Computed tomography, abdomen · axial view · 47-year-old male patient
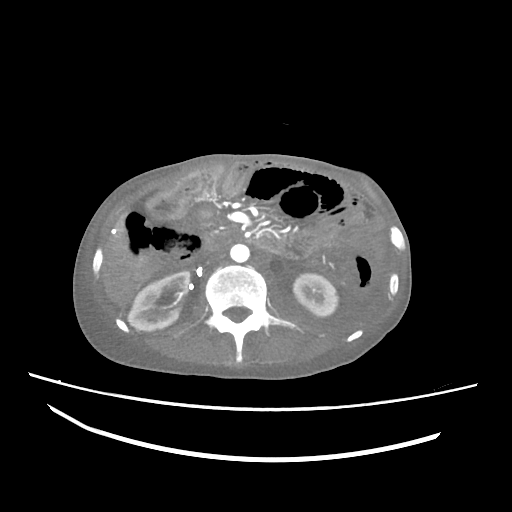

Bounding boxes in pixels, one row per box: x1, y1 is the top-left corner and x2, y2 the bottom-right.
| organ | x1 | y1 | x2 | y2 |
|---|---|---|---|---|
| inferior vena cava | 206 | 248 | 225 | 264 |
| right kidney | 128 | 271 | 189 | 331 |
| duodenum | 200 | 230 | 279 | 255 |
| aorta | 230 | 244 | 249 | 262 |
| liver | 101 | 215 | 156 | 306 |
| left kidney | 293 | 273 | 337 | 316 |